Abdominal CT. axial view. scan has 14 labeled organs (a whole-scan count: organs this slice does not pass through have no box)
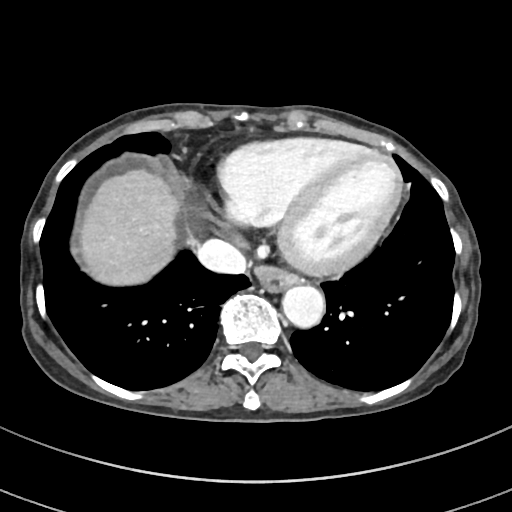 <organs><organ name="esophagus" x1="254" y1="267" x2="300" y2="293"/><organ name="liver" x1="81" y1="169" x2="179" y2="286"/><organ name="aorta" x1="282" y1="287" x2="324" y2="329"/><organ name="inferior vena cava" x1="198" y1="239" x2="245" y2="274"/></organs>